Lower-chest slice from an abdominal CT, just above the liver and spleen. axial view. 15 organs annotated in this scan (counted over the whole 3D scan, not this slice; an organ is boxed only where this slice passes through it)
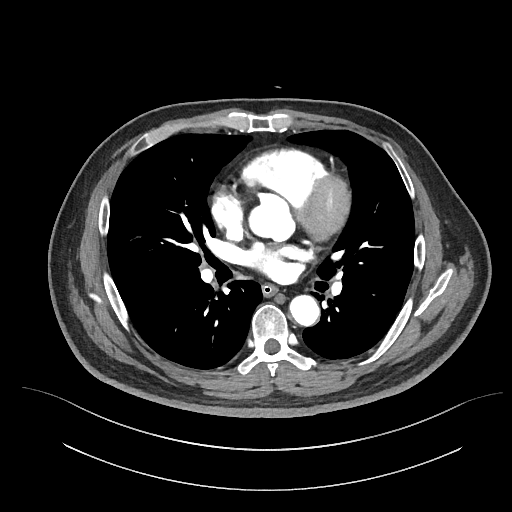

Of the structures in the chest, this dataset labels only the esophagus, the aorta and the inferior vena cava; the heart and lungs have no label.
Coordinates as <box>x1,y1,x2,y2</box> in pixels.
Organ bounding boxes:
- esophagus: <box>262,284,277,296</box>
- aorta: <box>289,295,319,326</box>